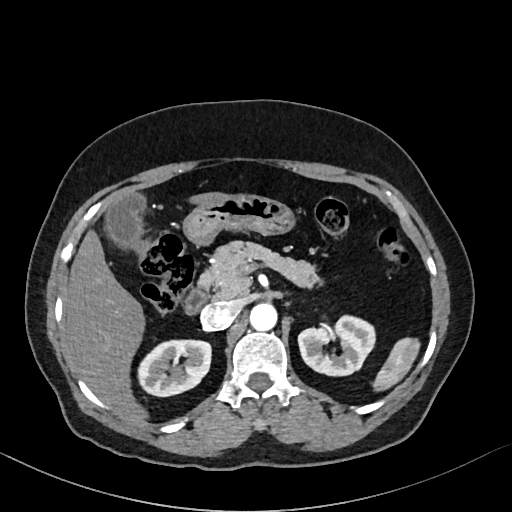

CT, abdomen/pelvis · axial plane, index 152 · SOMATOM Force scanner
Boxes: x1:y1:x2:y2 in pixels. The annotated organs in this slice are: spleen at 372:336:422:393, right kidney at 140:341:210:396, left kidney at 298:315:375:377, gall bladder at 105:193:146:247, liver at 65:191:236:422, stomach at 182:196:297:247, aorta at 249:301:277:331, inferior vena cava at 200:301:239:329, pancreas at 209:239:317:298, duodenum at 183:272:211:314.